Computed tomography, abdomen · Axial slice 220/353 · 512x512 px · 14 organs annotated in this scan (a whole-scan count: organs this slice does not pass through have no box)
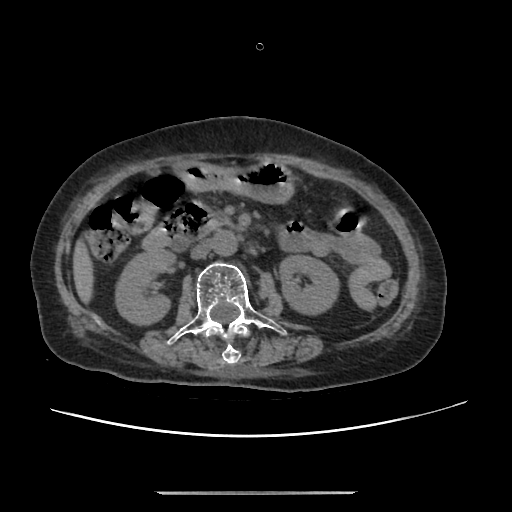 <organs><organ name="duodenum" x1="142" y1="201" x2="211" y2="249"/><organ name="pancreas" x1="208" y1="212" x2="236" y2="228"/><organ name="inferior vena cava" x1="190" y1="240" x2="213" y2="258"/><organ name="stomach" x1="183" y1="161" x2="293" y2="202"/><organ name="aorta" x1="213" y1="230" x2="236" y2="255"/><organ name="liver" x1="73" y1="242" x2="92" y2="302"/><organ name="right kidney" x1="115" y1="248" x2="176" y2="324"/><organ name="left kidney" x1="279" y1="255" x2="338" y2="313"/></organs>